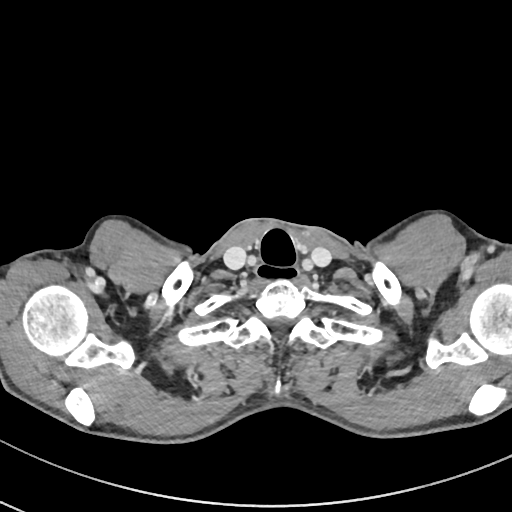
Chest-level slice from an abdominal CT that extends up into the chest. axial view. W/L 400/40 HU
At this level of the chest no structure but the esophagus and the aorta has a label in this dataset, and those two are boxed only where they are labeled.
Boxes: x1 y1 x2 y2 (pixel coords, space-separated).
Organ bounding boxes:
- esophagus: 255 263 298 280